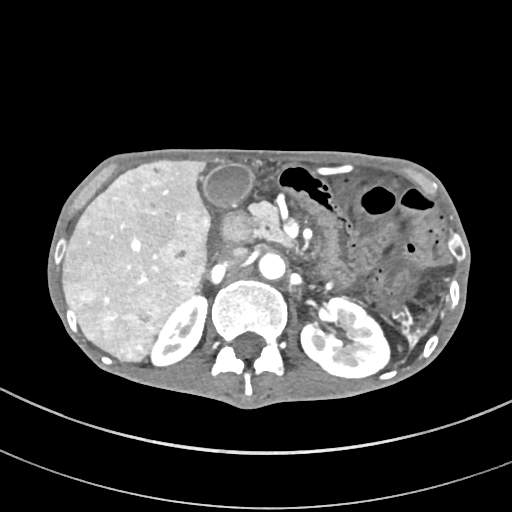 Computed tomography, abdomen · axial view · soft-tissue window · SOMATOM Force scanner
Box edges are left/top/right/bottom in pixels. Labeled organs on this slice: aorta at left=259, top=253, right=285, bottom=280, left kidney at left=301, top=297, right=389, bottom=377, inferior vena cava at left=222, top=247, right=248, bottom=267, right kidney at left=151, top=296, right=206, bottom=365, pancreas at left=249, top=201, right=293, bottom=247, gall bladder at left=203, top=164, right=251, bottom=206, duodenum at left=221, top=211, right=252, bottom=241, liver at left=63, top=159, right=210, bottom=361.